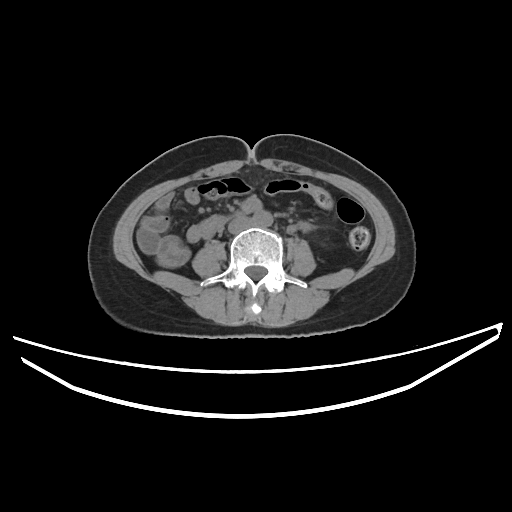
CT abdomen; axial plane, index 42; abdomen soft-tissue window; 512x512 px; 50-year-old female patient; Aquilion ONE scanner; scan has 15 labeled organs (a whole-scan count: organs this slice does not pass through have no box)
Boxes: x1 y1 x2 y2 (pixel coords, space-separated). Labeled organs on this slice: aorta at 253 210 272 227, inferior vena cava at 228 216 253 233.